Abdominal CT; Axial slice 44/118
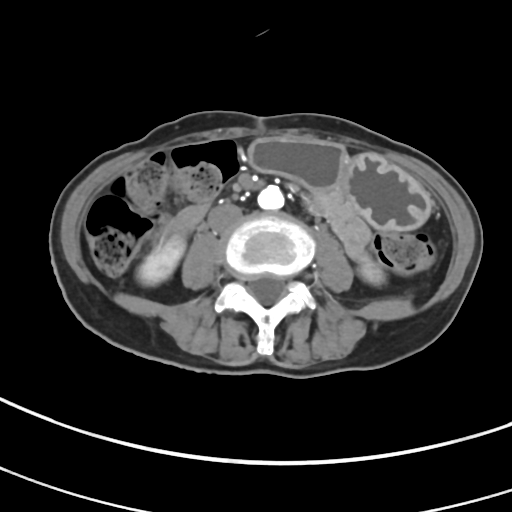 Organ boxes in pixel coordinates; each row gives the top-left (x1, y1) and bottom-right (x2, y2) corners.
| organ | x1 | y1 | x2 | y2 |
|---|---|---|---|---|
| right kidney | 136 | 237 | 184 | 285 |
| left kidney | 358 | 259 | 385 | 284 |
| stomach | 250 | 137 | 432 | 230 |
| aorta | 257 | 185 | 284 | 210 |
| inferior vena cava | 208 | 203 | 243 | 233 |